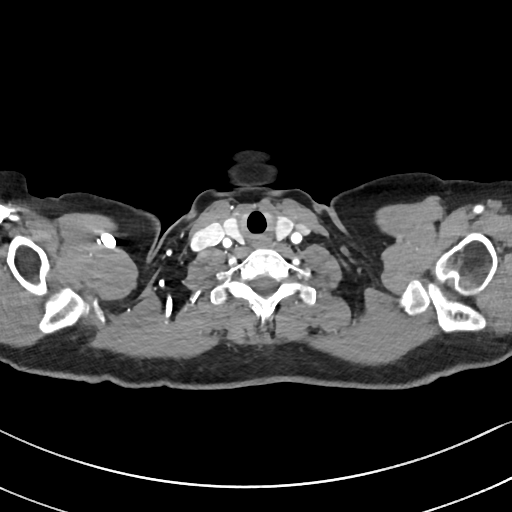
Abdominal CT reaching into the chest; this slice is in the chest · axial view · W/L 400/40 HU
At this level of the chest this dataset labels only the esophagus and the aorta, and each is boxed only where it is labeled; the heart and lungs are never labeled.
<organs><organ name="esophagus" x1="249" y1="235" x2="270" y2="248"/></organs>